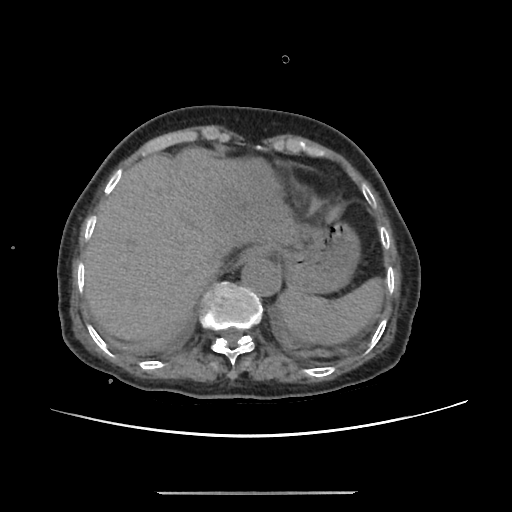

Computed tomography, abdomen · axial view · abdomen soft-tissue window · 512x512 px · 14 organs annotated in this scan (counted over the whole 3D scan, not this slice; an organ is boxed only where this slice passes through it)
Bounding boxes as [x1, y1, x2, y2] in pixel coordinates. 6 labeled organs on this slice — spleen at [278, 279, 381, 345]; esophagus at [240, 247, 265, 262]; liver at [83, 147, 311, 343]; stomach at [264, 220, 358, 293]; aorta at [240, 257, 280, 295]; inferior vena cava at [205, 244, 232, 273].